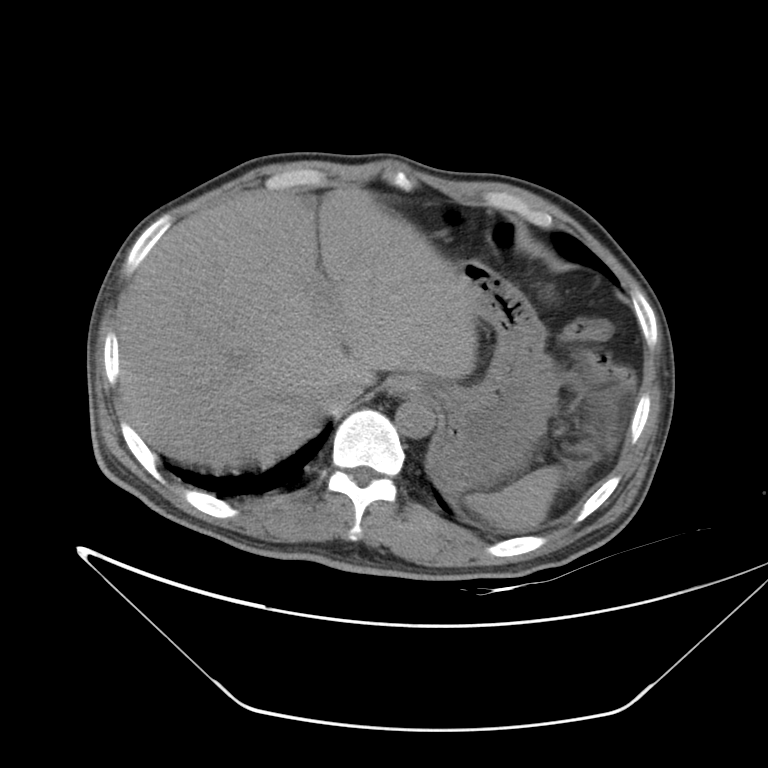
Abdominal CT · axial view · 768x768 px · Brilliance16 scanner
Each box given as x1,y1,x2,y2.
Organ bounding boxes:
- inferior vena cava: x1=327, y1=379, x2=362, y2=408
- stomach: x1=405, y1=261, x2=559, y2=484
- spleen: x1=465, y1=465, x2=565, y2=531
- esophagus: x1=387, y1=377, x2=407, y2=393
- liver: x1=118, y1=189, x2=477, y2=471
- aorta: x1=395, y1=395, x2=435, y2=437